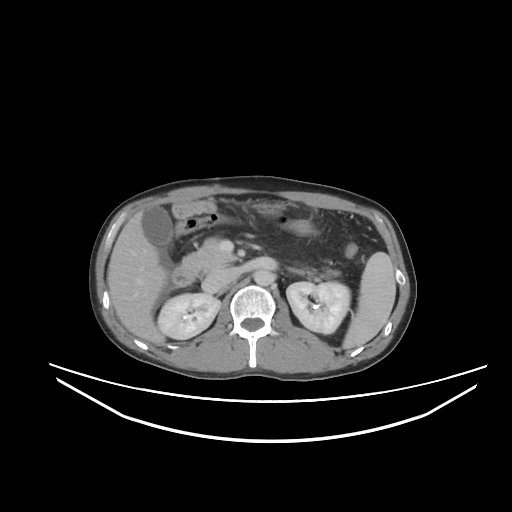

Abdominal CT · axial view · W/L 400/40 HU · 47-year-old male patient · Aquilion ONE scanner
Coordinates as <box>x1,y1,x2,y2</box> in pixels.
left kidney: <box>286,281,350,333</box>
gall bladder: <box>142,205,172,246</box>
left adrenal gland: <box>288,268,301,274</box>
duodenum: <box>172,266,196,286</box>
liver: <box>107,210,167,344</box>
spleen: <box>342,252,395,349</box>
aorta: <box>254,270,273,285</box>
stomach: <box>266,206,276,212</box>
pancreas: <box>181,238,339,277</box>
right kidney: <box>157,293,220,339</box>
inferior vena cava: <box>202,267,239,292</box>